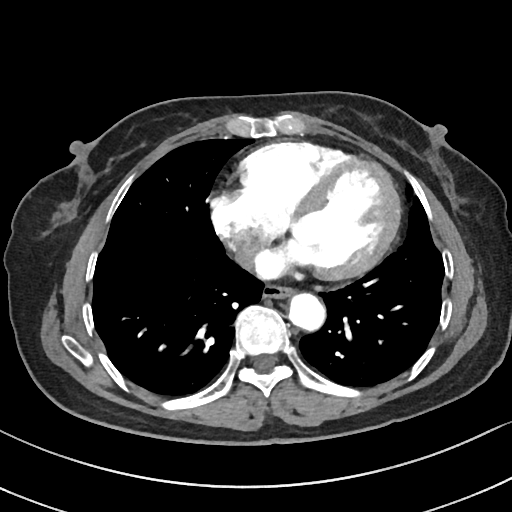

Abdominal CT; this slice is in the lower chest, just above the liver. axial view. 512x512 px
The heart and lungs are never labeled in this dataset, so they have no box on this slice.
Bounding boxes as [x1, y1, x2, y2] in pixel coordinates.
aorta: [289, 293, 325, 330]
esophagus: [262, 285, 294, 298]